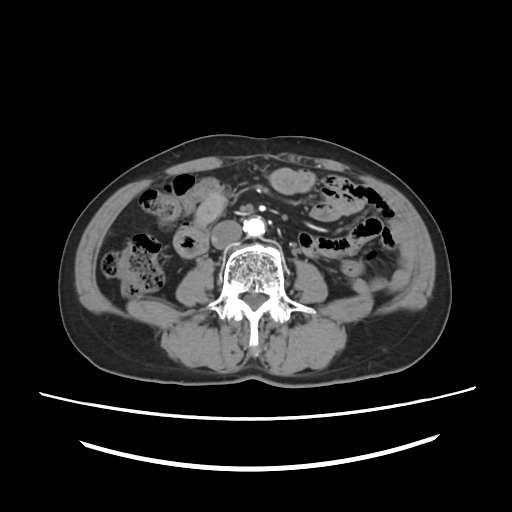 CT abdomen — axial view — 512x512 px — Aquilion ONE scanner
Coordinates as <box>x1,y1,x2,y2</box> in pixels.
Organ bounding boxes:
- aorta: <box>243,216,265,236</box>
- inferior vena cava: <box>211,220,241,248</box>